CT, abdomen/pelvis · Axial slice 66/74
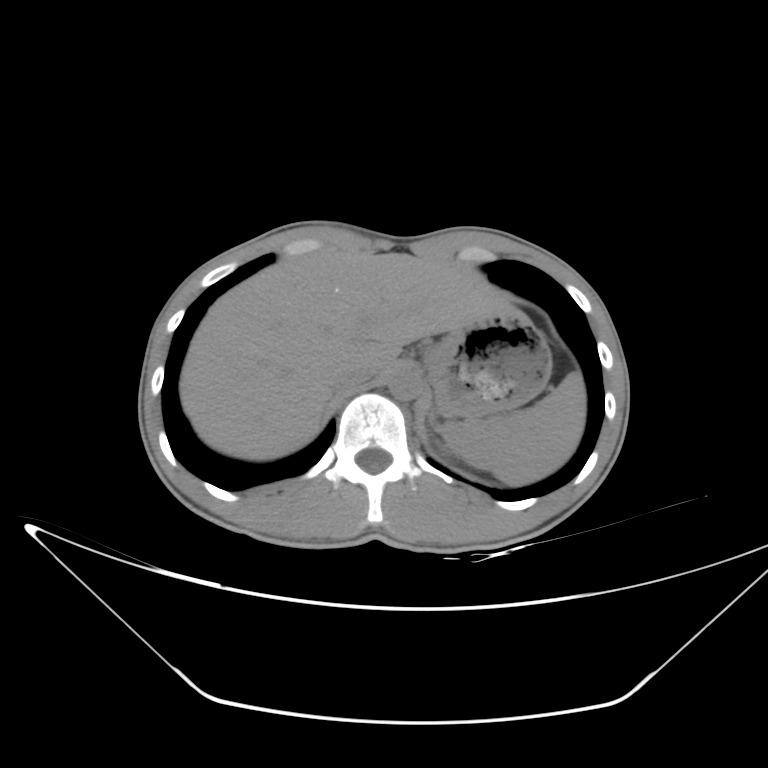
Boxes are (x1, y1, x2, y2) in pixels.
spleen: (440, 372, 585, 486)
liver: (179, 249, 512, 461)
stomach: (424, 309, 552, 417)
aorta: (388, 369, 420, 401)
inferior vena cava: (333, 362, 380, 390)
left adrenal gland: (429, 415, 434, 428)